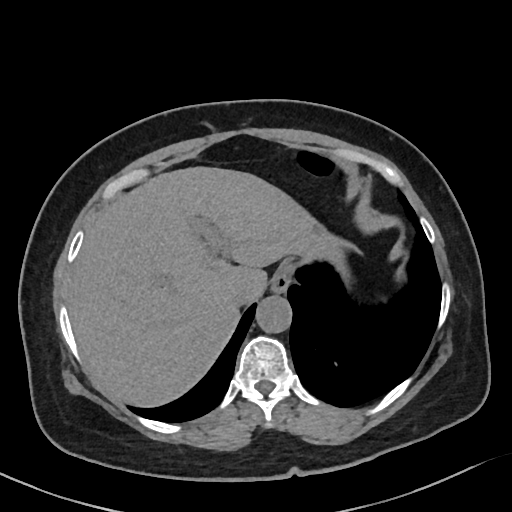 Computed tomography, abdomen — axial plane, index 165 — 512x512 px — 15 organs annotated in this scan (counted over the whole 3D scan, not this slice; an organ is boxed only where this slice passes through it)
Organ boxes in pixel coordinates; each row gives the top-left (x1, y1) and bottom-right (x2, y2) corners.
| organ | x1 | y1 | x2 | y2 |
|---|---|---|---|---|
| esophagus | 271 | 262 | 292 | 292 |
| liver | 68 | 166 | 339 | 406 |
| aorta | 255 | 296 | 291 | 332 |
| inferior vena cava | 230 | 281 | 261 | 304 |